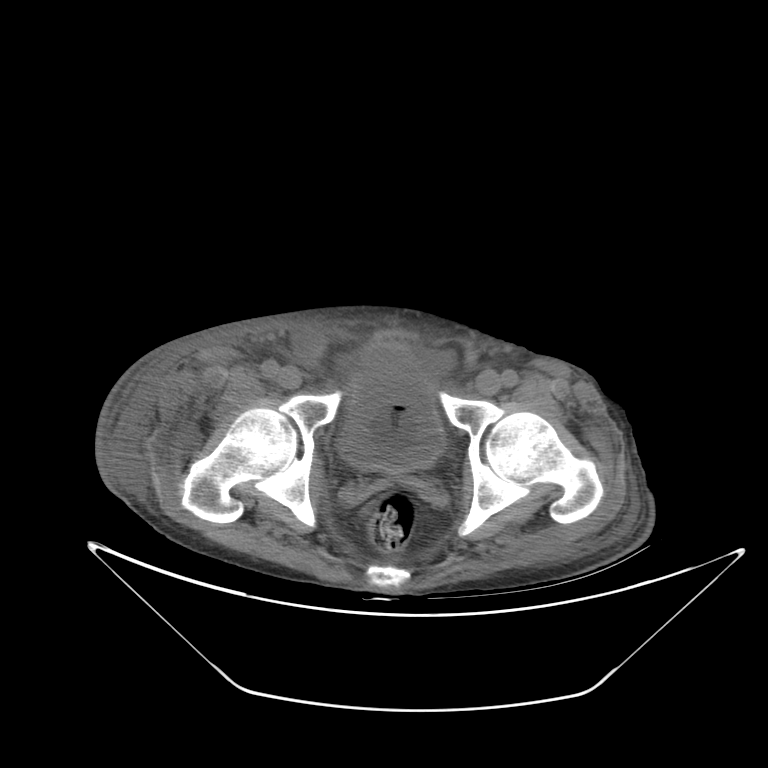

Abdominal CT · axial plane, index 17 · abdomen soft-tissue window · 768x768 px · acquired on Brilliance16
Coordinates as <box>x1,y1,x2,y2</box> in pixels.
bladder: <box>338,345,445,470</box>